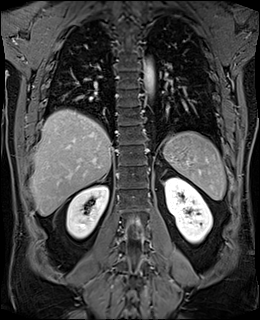

Abdominal MR. coronal view. 1st–99th percentile window. 13 organs annotated in this scan (a whole-scan count: organs this slice does not pass through have no box)
Bounding boxes in pixels, one row per box: x1, y1 is the top-left corner and x2, y2 the bottom-right.
| organ | x1 | y1 | x2 | y2 |
|---|---|---|---|---|
| spleen | 163 | 131 | 226 | 200 |
| liver | 30 | 109 | 112 | 215 |
| aorta | 143 | 59 | 154 | 93 |
| left kidney | 165 | 177 | 212 | 243 |
| right kidney | 66 | 185 | 108 | 238 |
| right adrenal gland | 97 | 172 | 108 | 182 |